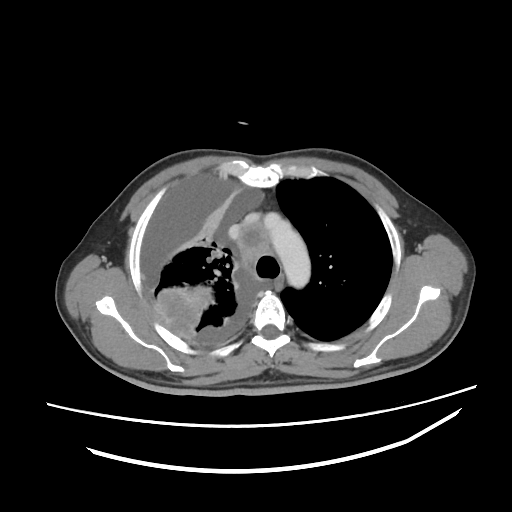

Chest-level slice from an abdominal CT that extends up into the chest; axial view; soft-tissue window; 512x512 px; 49-year-old male patient; 15 organs annotated in this scan (a whole-scan count: organs this slice does not pass through have no box)
At this level of the chest this dataset labels only the esophagus and the aorta, and each is boxed only where it is labeled; the heart and lungs are never labeled.
Boxes: x1 y1 x2 y2 (pixel coords, space-separated).
Organ bounding boxes:
- esophagus: 274 274 283 292
- aorta: 264 213 310 288